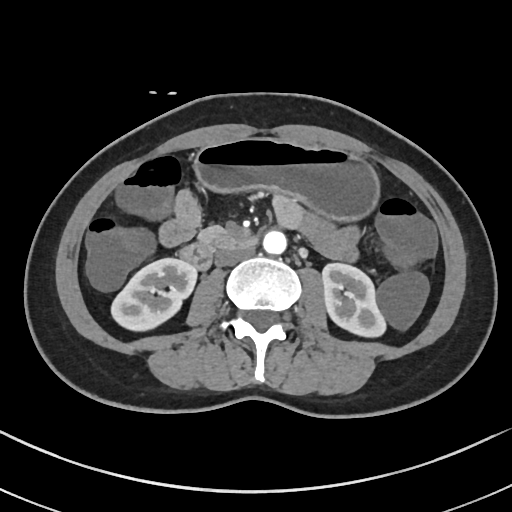
Computed tomography, abdomen. axial view. soft-tissue window (W 400 / L 40). 512x512 px. scan has 15 labeled organs (a whole-scan count: organs this slice does not pass through have no box)
{"organs":{"right kidney":[111,258,196,331],"left kidney":[322,263,385,337],"stomach":[194,138,378,217],"aorta":[263,230,286,254],"inferior vena cava":[215,247,253,266],"pancreas":[199,226,224,241],"duodenum":[178,233,257,270]}}